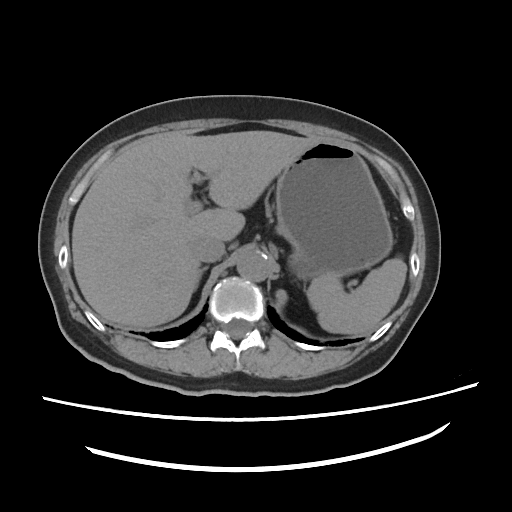

CT, abdomen/pelvis · axial plane, index 70 · scan has 14 labeled organs (counted over the whole 3D scan, not this slice; an organ is boxed only where this slice passes through it)
Each box given as x1,y1,x2,y2.
Organ bounding boxes:
- spleen: x1=306, y1=257, x2=407, y2=334
- liver: x1=72, y1=131, x2=319, y2=327
- stomach: x1=275, y1=140, x2=393, y2=279
- aorta: x1=237, y1=250, x2=271, y2=281
- inferior vena cava: x1=190, y1=236, x2=224, y2=262
- right adrenal gland: x1=199, y1=266, x2=208, y2=278